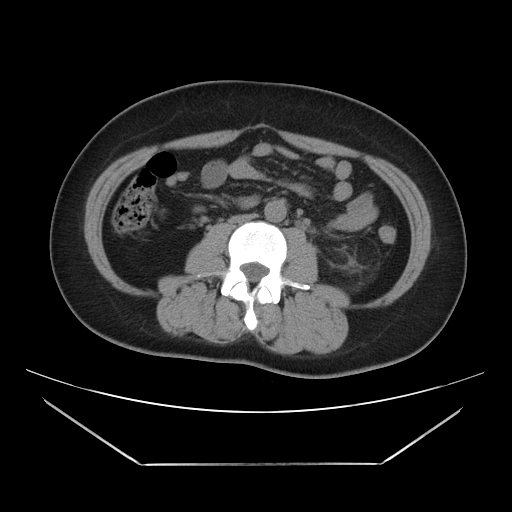 Computed tomography, abdomen; axial view
Box edges are left/top/right/bottom in pixels.
aorta: left=264, top=199, right=286, bottom=222
inferior vena cava: left=229, top=214, right=255, bottom=223